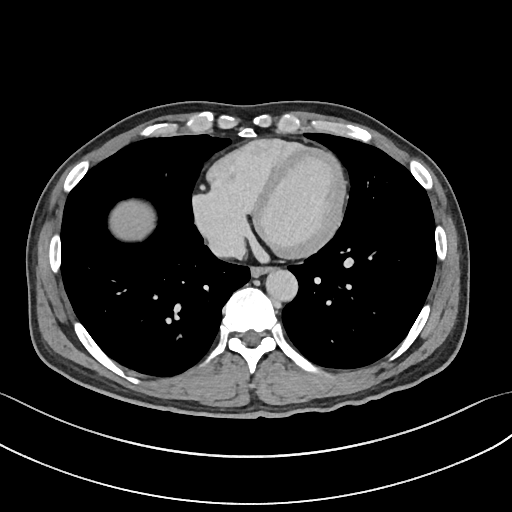

Abdominal CT · axial plane, index 226
Organ boxes in pixel coordinates; each row gives the top-left (x1, y1) and bottom-right (x2, y2) corners.
| organ | x1 | y1 | x2 | y2 |
|---|---|---|---|---|
| inferior vena cava | 209 | 232 | 245 | 258 |
| aorta | 265 | 269 | 297 | 301 |
| liver | 109 | 200 | 154 | 240 |
| esophagus | 250 | 266 | 272 | 277 |